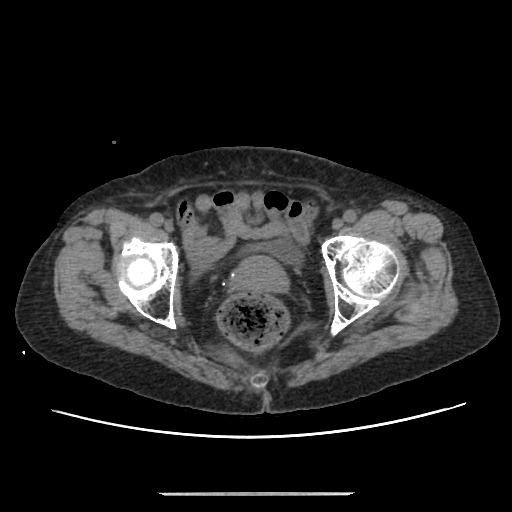

CT, abdomen/pelvis; axial view; 512x512 px
{"organs":{"bladder":[253,238,299,263],"prostate/uterus":[231,255,288,292]}}